Abdominal CT reaching into the chest; this slice is in the chest — axial plane, index 275 — 512x512 px — acquired on SOMATOM Force
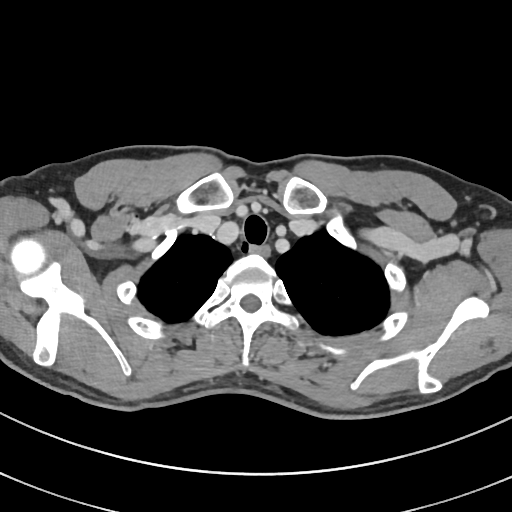

On a slice this high in the chest, this dataset labels only the esophagus and the aorta, and each is boxed only where it is labeled; the heart, lungs and other chest structures are not labeled. Bounding boxes as [x1, y1, x2, y2] in pixel coordinates. Labeled organs on this slice: esophagus at [250, 243, 269, 256].